CT, abdomen/pelvis — axial view — 512x512 px
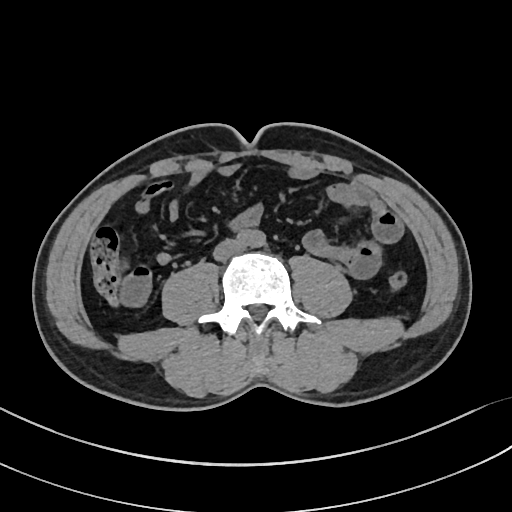
Boxes are (x1, y1, x2, y2) in pixels.
aorta: (235, 230, 265, 248)
inferior vena cava: (213, 240, 243, 261)